Abdominal CT; Axial slice 76/92; soft-tissue window (W 400 / L 40); 63-year-old female patient
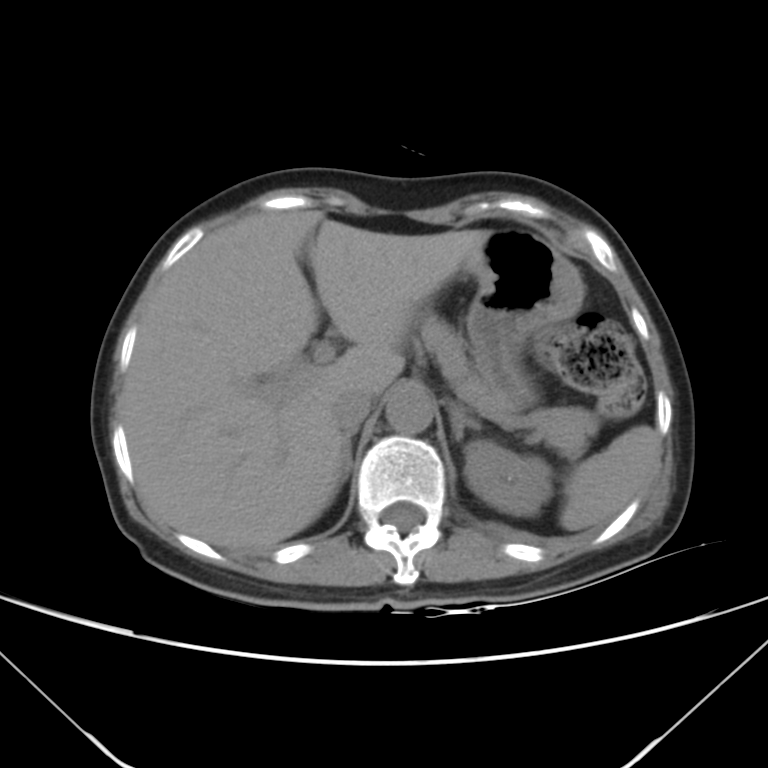 Coordinates as <box>x1,y1,x2,y2</box> in pixels. 9 labeled organs on this slice — spleen at <box>560,426,659,530</box>; left kidney at <box>464,440,551,516</box>; liver at <box>122,209,489,551</box>; stomach at <box>464,229,584,406</box>; aorta at <box>386,386,434,434</box>; inferior vena cava at <box>330,384,374,432</box>; pancreas at <box>422,316,598,458</box>; right adrenal gland at <box>342,429,357,479</box>; left adrenal gland at <box>450,405,481,442</box>.